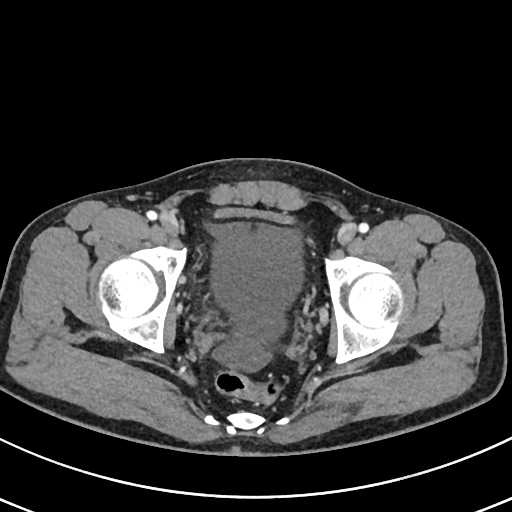 CT, abdomen/pelvis · axial view
Bounding boxes in pixels, one row per box: x1, y1 is the top-left corner and x2, y2 the bottom-right.
| organ | x1 | y1 | x2 | y2 |
|---|---|---|---|---|
| bladder | 214 | 207 | 293 | 224 |